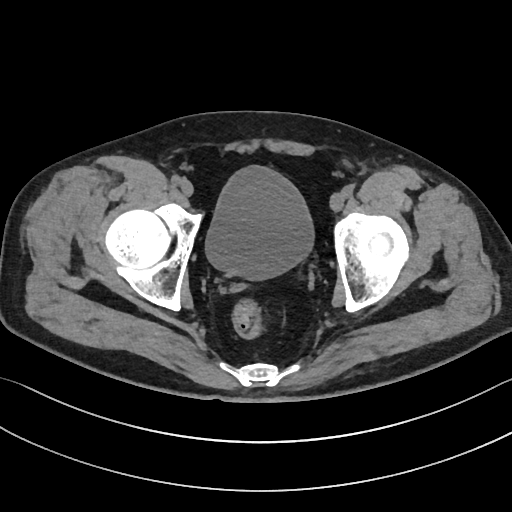
Abdominal CT · Axial slice 35/231
Bounding boxes in pixels, one row per box: x1, y1 is the top-left corner and x2, y2 the bottom-right.
| organ | x1 | y1 | x2 | y2 |
|---|---|---|---|---|
| bladder | 205 | 166 | 315 | 278 |